Abdominal MR · axial view · percentile-normalized · scan has 13 labeled organs (that count is for the whole scan; organs this slice misses have no box)
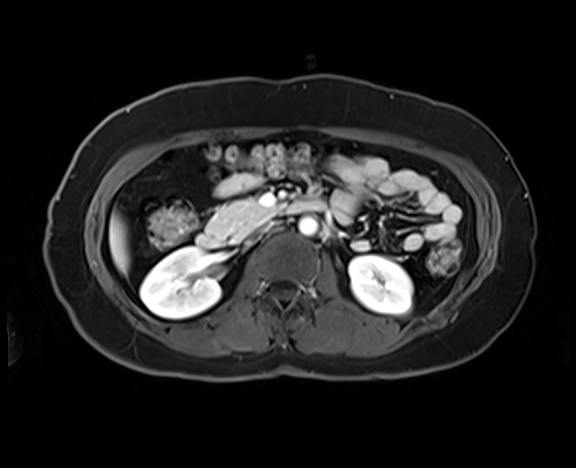 <organs><organ name="inferior vena cava" x1="257" y1="221" x2="275" y2="233"/><organ name="right kidney" x1="140" y1="247" x2="220" y2="318"/><organ name="left kidney" x1="349" y1="255" x2="412" y2="314"/><organ name="pancreas" x1="207" y1="200" x2="275" y2="239"/><organ name="duodenum" x1="196" y1="199" x2="324" y2="247"/><organ name="liver" x1="109" y1="213" x2="129" y2="273"/><organ name="aorta" x1="299" y1="217" x2="317" y2="236"/></organs>